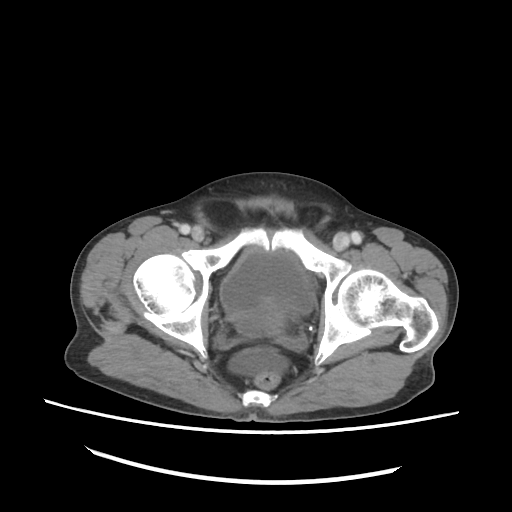

Abdominal CT; Axial slice 10/112; soft-tissue window; 512x512 px; 61-year-old male patient
Boxes: x1 y1 x2 y2 (pixel coords, space-separated).
Organ bounding boxes:
- bladder: 220 248 314 313